Abdominal CT reaching into the chest; this slice is in the chest; axial plane, index 317; soft-tissue window, W/L 400/40
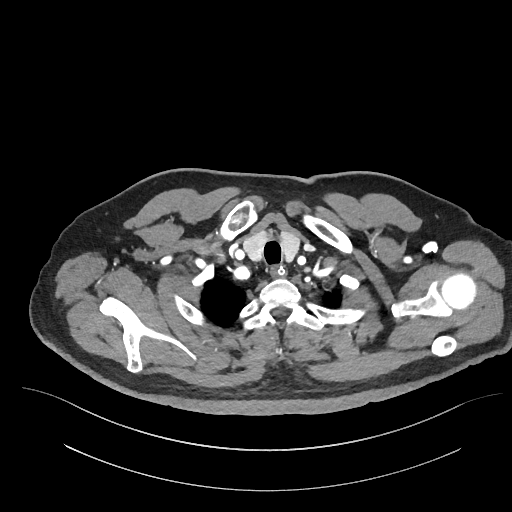

At this level of the chest no structure but the esophagus and the aorta has a label in this dataset, and those two are boxed only where they are labeled.
<organs><organ name="esophagus" x1="269" y1="264" x2="286" y2="276"/></organs>